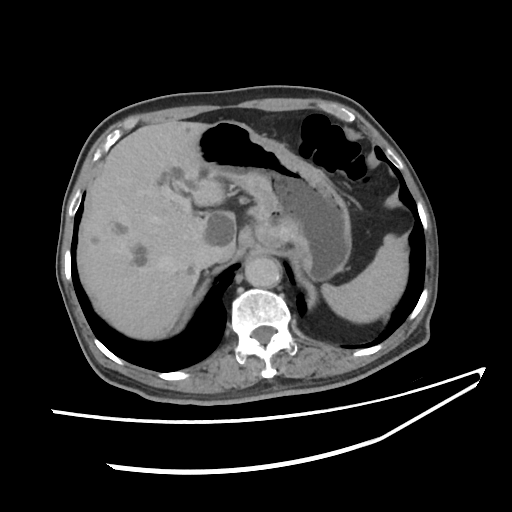
Computed tomography, abdomen. axial view. 512x512 px. scan has 15 labeled organs (counted over the whole 3D scan, not this slice; an organ is boxed only where this slice passes through it)
Organ boxes in pixel coordinates; each row gives the top-left (x1, y1) and bottom-right (x2, y2) corners.
| organ | x1 | y1 | x2 | y2 |
|---|---|---|---|---|
| aorta | 245 | 257 | 281 | 289 |
| inferior vena cava | 195 | 248 | 221 | 268 |
| liver | 76 | 119 | 236 | 339 |
| stomach | 197 | 119 | 351 | 281 |
| spleen | 320 | 234 | 409 | 323 |